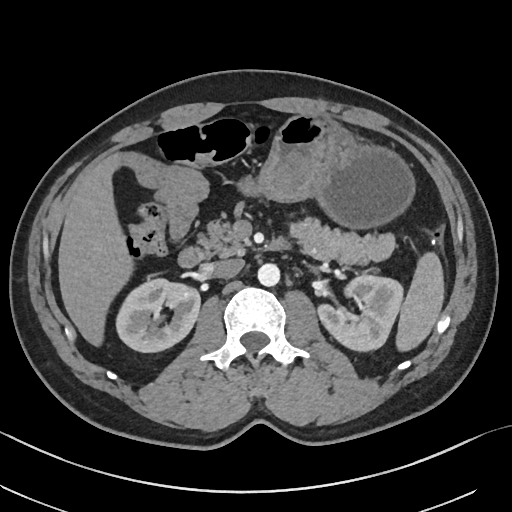

Computed tomography, abdomen. axial view. 512x512 px
Bounding boxes as [x1, y1, x2, y2] in pixel coordinates. Labeled organs on this slice: spleen at [396, 252, 444, 351], right kidney at [115, 278, 200, 352], left kidney at [317, 275, 402, 351], liver at [58, 153, 133, 346], stomach at [239, 116, 414, 228], aorta at [257, 263, 279, 286], inferior vena cava at [210, 258, 244, 278], pancreas at [198, 217, 395, 265], duodenum at [178, 246, 210, 267].